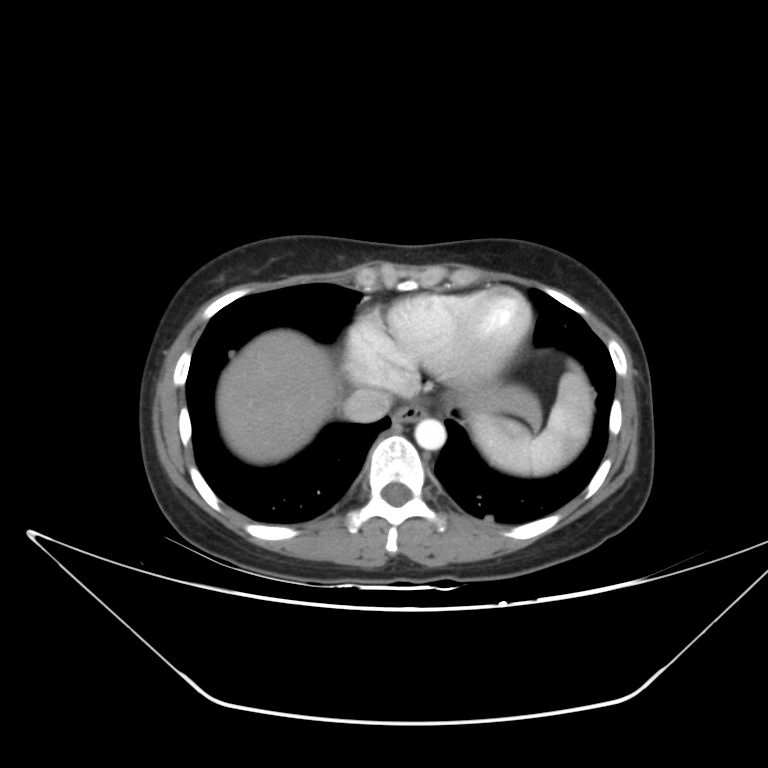

CT, abdomen/pelvis. axial view. 768x768 px
Boxes: x1 y1 x2 y2 (pixel coords, space-separated).
spleen: 469 365 592 475
esophagus: 393 402 427 424
liver: 217 329 542 464
aorta: 415 418 445 449
inferior vena cava: 342 388 392 423